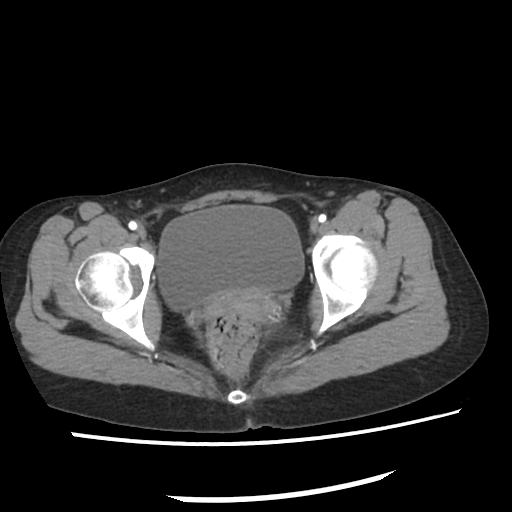 CT, abdomen/pelvis — axial view — soft-tissue window (W 400 / L 40) — Aquilion ONE scanner
Bounding boxes as [x1, y1, x2, y2] in pixel coordinates.
Organ bounding boxes:
- bladder: [156, 205, 305, 309]